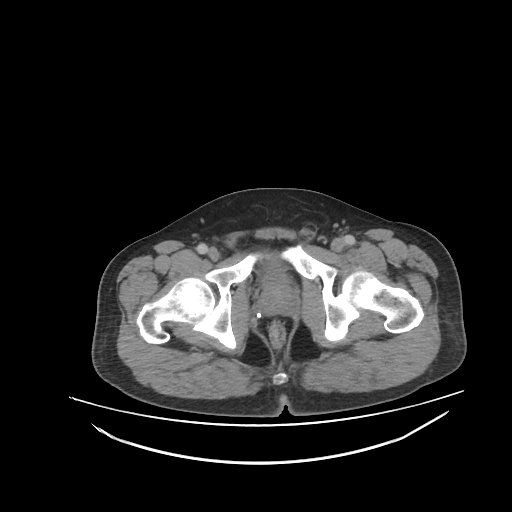
CT abdomen. Axial slice 18/96. W/L 400/40 HU
Organ boxes in pixel coordinates; each row gives the top-left (x1, y1) and bottom-right (x2, y2) corners.
| organ | x1 | y1 | x2 | y2 |
|---|---|---|---|---|
| bladder | 262 | 264 | 287 | 290 |
| prostate/uterus | 260 | 288 | 293 | 316 |